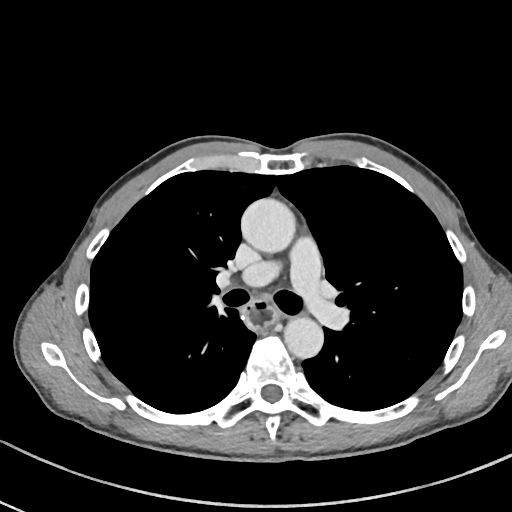

Chest-level CT slice, above the liver and spleen; Axial slice 250/306
On a slice this high in the chest, this dataset labels only the esophagus and the aorta, and each is boxed only where it is labeled; the heart, lungs and other chest structures are not labeled.
<organs><organ name="esophagus" x1="245" y1="298" x2="279" y2="330"/><organ name="aorta" x1="240" y1="198" x2="295" y2="253"/><organ name="aorta" x1="283" y1="317" x2="323" y2="358"/></organs>